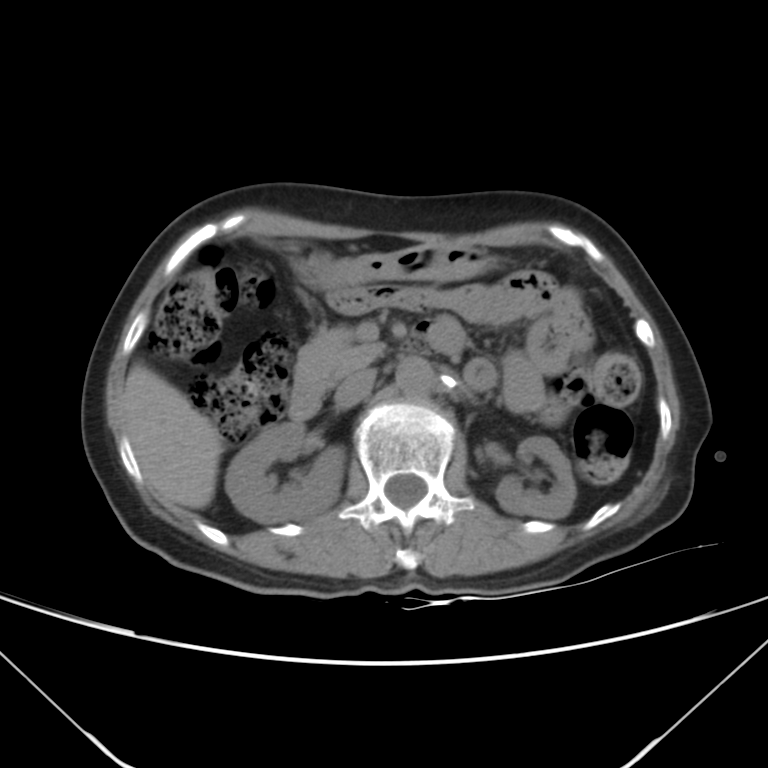

Computed tomography, abdomen; axial plane, index 66; soft-tissue window (W 400 / L 40); 768x768 px; 63-year-old female patient; acquired on Brilliance16
Boxes are (x1, y1, x2, y2) in pixels.
Organ bounding boxes:
- left kidney: (496, 436, 575, 517)
- liver: (124, 363, 222, 509)
- stomach: (288, 243, 492, 289)
- duodenum: (288, 318, 463, 420)
- inferior vena cava: (335, 368, 376, 406)
- aorta: (396, 356, 434, 395)
- pancreas: (295, 326, 383, 386)
- right kidney: (225, 422, 345, 521)